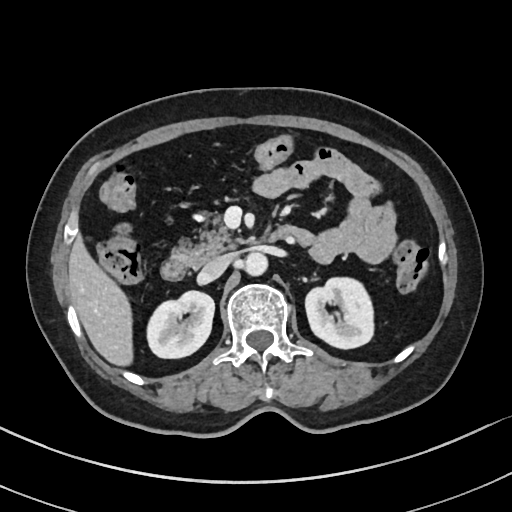

Computed tomography, abdomen · Axial slice 161/314 · 512x512 px
Coordinates as <box>x1,y1,x2,y2</box> in pixels. Labeled organs on this slice: right kidney at <box>147,290,214,358</box>, left kidney at <box>305,277,373,348</box>, liver at <box>68,235,133,366</box>, aorta at <box>244,252,268,276</box>, inferior vena cava at <box>199,253,233,281</box>, pancreas at <box>172,214,240,268</box>, duodenum at <box>160,225,313,280</box>.